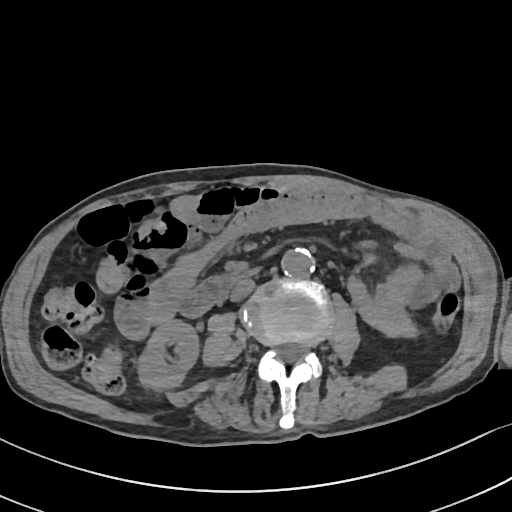 Abdominal CT · axial view · W/L 400/40 HU
Boxes: x1:y1:x2:y2 in pixels. 4 labeled organs on this slice — right kidney at 137:319:199:392; aorta at 282:248:315:278; inferior vena cava at 229:278:255:301; duodenum at 177:268:259:317.